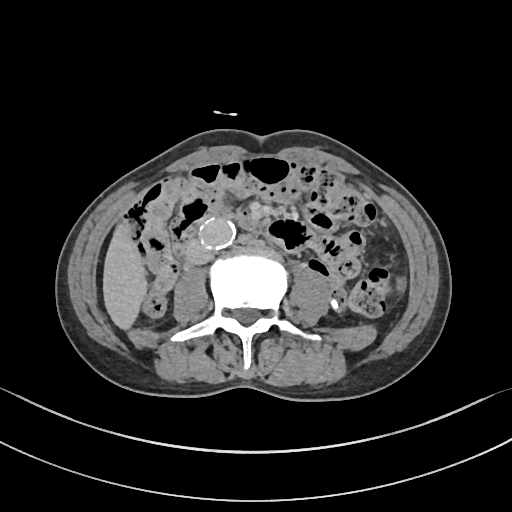

Computed tomography, abdomen; axial plane, index 122; acquired on SOMATOM Force
Boxes are (x1, y1, x2, y2) in pixels.
spleen: (395, 276, 407, 294)
liver: (102, 218, 148, 331)
aorta: (199, 218, 234, 248)
inferior vena cava: (186, 243, 214, 265)
duodenum: (209, 208, 269, 238)